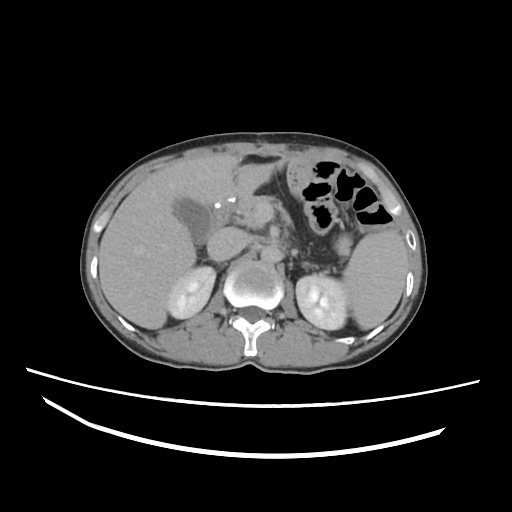 Computed tomography, abdomen · axial view · soft-tissue window · 40-year-old male patient · 15 organs annotated in this scan (counted over the whole 3D scan, not this slice; an organ is boxed only where this slice passes through it)
One row per box, in pixels: columns x1 and y1 give the top-left corner, x2 and y2 the bottom-right.
| organ | x1 | y1 | x2 | y2 |
|---|---|---|---|---|
| left adrenal gland | 303 | 261 | 317 | 268 |
| liver | 99 | 155 | 272 | 329 |
| duodenum | 209 | 199 | 234 | 237 |
| right kidney | 168 | 265 | 215 | 318 |
| left kidney | 295 | 273 | 351 | 332 |
| right adrenal gland | 203 | 259 | 223 | 266 |
| spleen | 343 | 228 | 409 | 329 |
| gall bladder | 172 | 200 | 212 | 245 |
| inferior vena cava | 207 | 229 | 244 | 262 |
| pancreas | 235 | 194 | 294 | 229 |
| aorta | 260 | 246 | 281 | 262 |